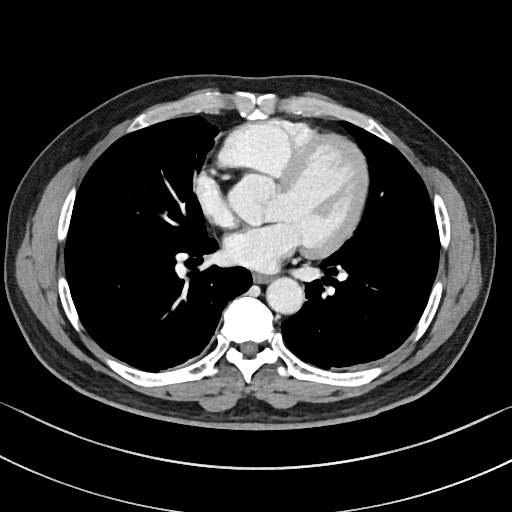

Abdominal CT; this slice is in the lower chest, just above the liver; Axial slice 230/232; W/L 400/40 HU; 512x512 px
The heart and lungs are never labeled in this dataset, so they have no box on this slice. Boxes: x1:y1:x2:y2 in pixels. 2 labeled organs on this slice — esophagus at 253:273:270:282; aorta at 266:276:303:313.